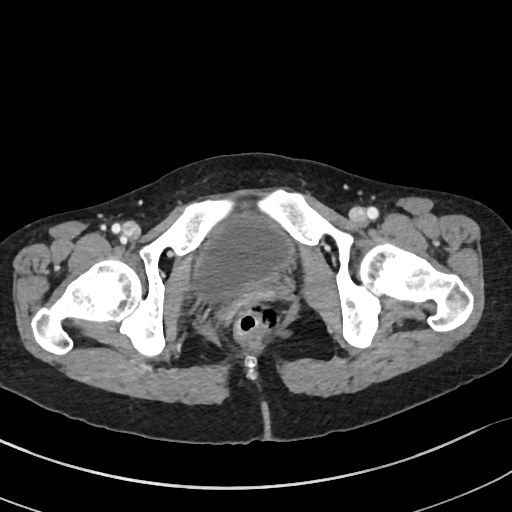 Computed tomography, abdomen. axial view. 512x512 px
{"organs":{"bladder":[195,215,292,300]}}